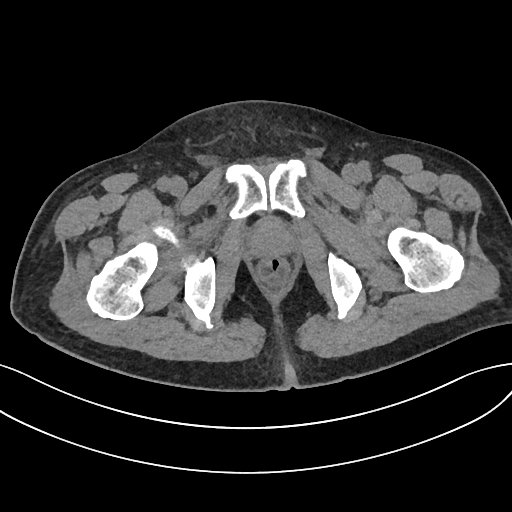

CT, abdomen/pelvis. Axial slice 11/213. soft-tissue window (W 400 / L 40). 512x512 px
Bounding boxes as [x1, y1, x2, y2] in pixel coordinates.
prostate/uterus: [251, 219, 292, 254]